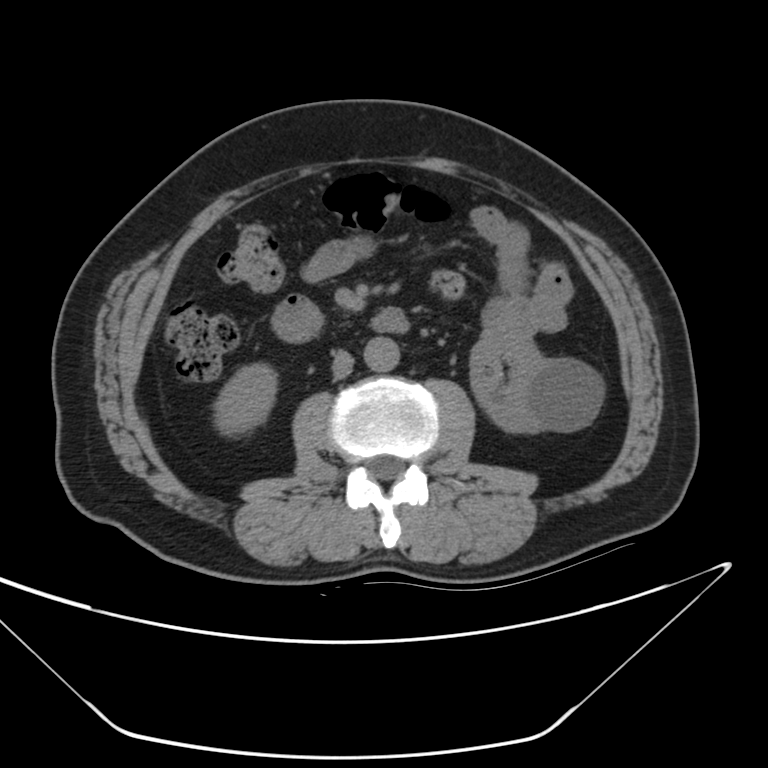
Computed tomography, abdomen — axial plane, index 57 — soft-tissue window (W 400 / L 40) — acquired on Brilliance16
Boxes: x1 y1 x2 y2 (pixel coords, space-separated). 5 labeled organs on this slice — left kidney at 470 329 603 434; right kidney at 214 365 276 435; duodenum at 270 295 408 341; inferior vena cava at 332 352 354 379; aorta at 363 337 399 371.